CT abdomen · axial plane, index 161 · soft-tissue window (W 400 / L 40) · 14 organs annotated in this scan (a whole-scan count: organs this slice does not pass through have no box)
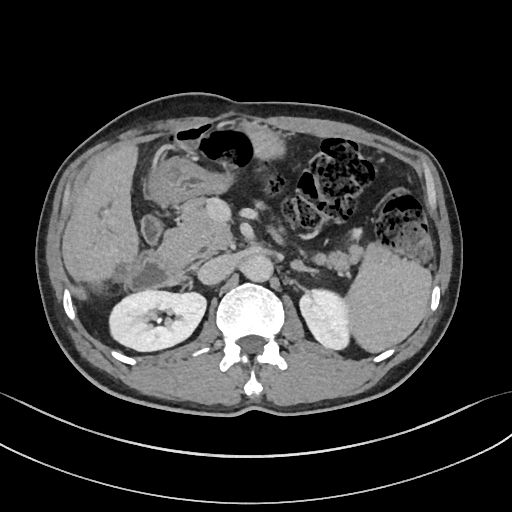
Bounding boxes in pixels, one row per box: x1, y1 is the top-left corner and x2, y2 the bottom-right.
| organ | x1 | y1 | x2 | y2 |
|---|---|---|---|---|
| duodenum | 128 | 216 | 184 | 292 |
| pancreas | 160 | 200 | 390 | 271 |
| inferior vena cava | 198 | 255 | 235 | 284 |
| left adrenal gland | 290 | 259 | 318 | 272 |
| liver | 73 | 143 | 138 | 285 |
| left kidney | 299 | 289 | 351 | 349 |
| right kidney | 109 | 290 | 206 | 351 |
| spleen | 345 | 255 | 431 | 352 |
| stomach | 149 | 122 | 285 | 204 |
| aorta | 242 | 253 | 273 | 282 |